Abdominal CT. axial plane, index 31
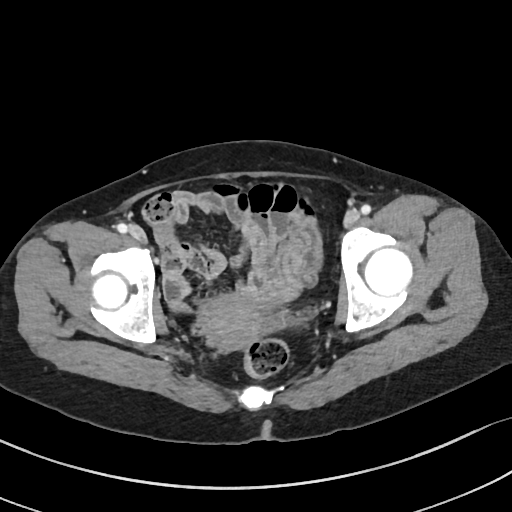

<organs><organ name="prostate/uterus" x1="196" y1="294" x2="265" y2="350"/></organs>